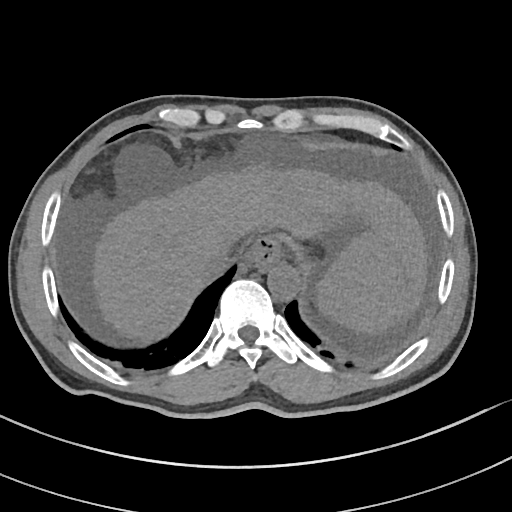

CT abdomen. axial view. 512x512 px
Boxes: x1 y1 x2 y2 (pixel coords, space-separated). Labeled organs on this slice: inferior vena cava at 207 246 234 273, spleen at 315 231 411 332, liver at 94 171 428 338, aorta at 267 265 301 300, esophagus at 244 239 278 266.